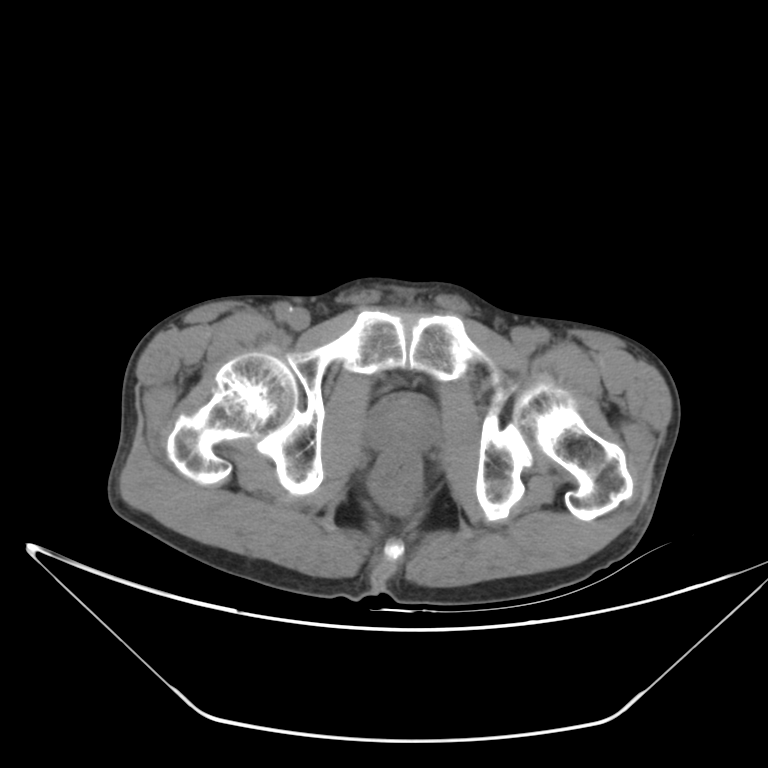

Abdominal CT; axial view
Boxes: x1 y1 x2 y2 (pixel coords, space-separated).
Organ bounding boxes:
- prostate/uterus: 370 398 434 450